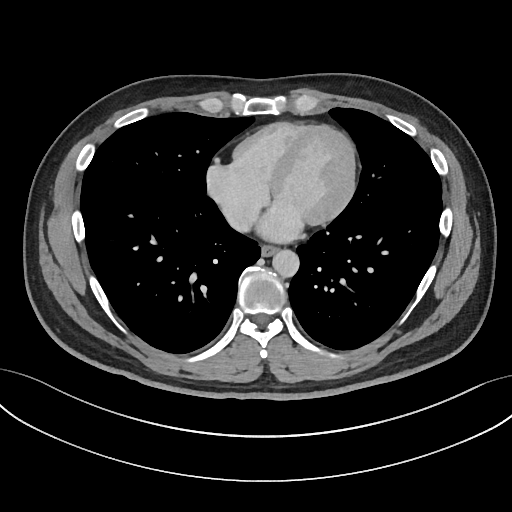
CT of the abdomen reaching into the lower chest, slice just above the liver and spleen. axial view. soft-tissue window. 512x512 px. scan has 15 labeled organs (a whole-scan count: organs this slice does not pass through have no box)
Of the structures in the chest, this dataset labels only the esophagus, the aorta and the inferior vena cava; the heart and lungs have no label.
Boxes: x1 y1 x2 y2 (pixel coords, space-separated).
Organ bounding boxes:
- inferior vena cava: 222 204 258 230
- esophagus: 261 244 279 255
- aorta: 272 249 299 276